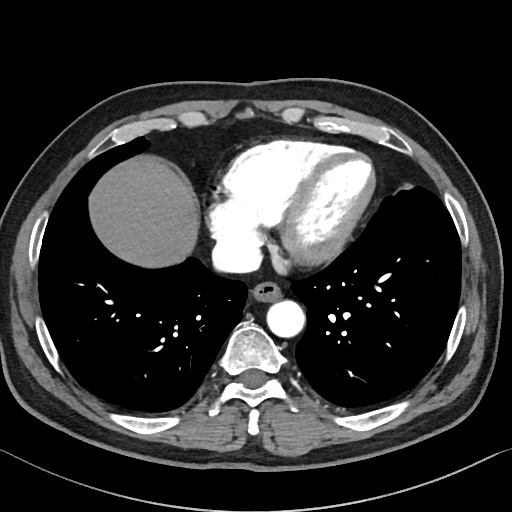
CT abdomen · Axial slice 205/245 · soft-tissue window (W 400 / L 40) · 512x512 px
Bounding boxes in pixels, one row per box: x1, y1 is the top-left corner and x2, y2 the bottom-right.
| organ | x1 | y1 | x2 | y2 |
|---|---|---|---|---|
| liver | 87 | 153 | 199 | 267 |
| inferior vena cava | 211 | 239 | 261 | 275 |
| esophagus | 252 | 280 | 281 | 301 |
| aorta | 266 | 300 | 304 | 337 |